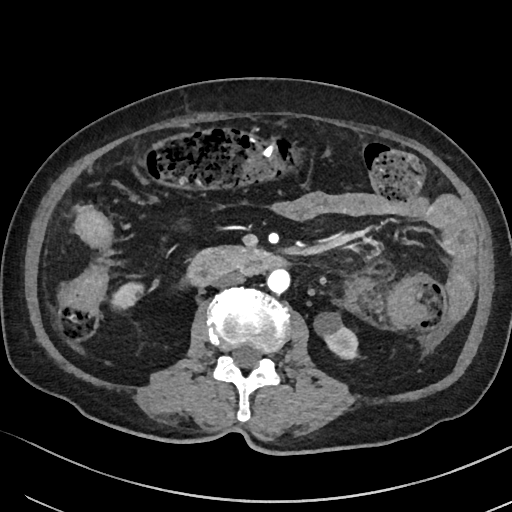 Abdominal CT; Axial slice 139/297; 512x512 px; scan has 15 labeled organs (counted over the whole 3D scan, not this slice; an organ is boxed only where this slice passes through it)
Boxes are (x1, y1, x2, y2) in pixels. Labeled organs on this slice: left kidney at (315, 312, 357, 358), inferior vena cava at (215, 272, 244, 287), duodenum at (186, 244, 284, 286), right kidney at (111, 282, 143, 310), aorta at (267, 269, 289, 293).